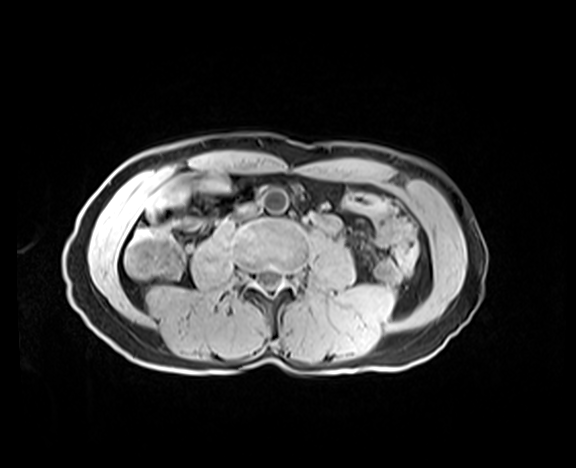

Abdominal MRI; axial view
Boxes: x1:y1:x2:y2 in pixels.
Organ bounding boxes:
- inferior vena cava: 237:204:257:217
- aorta: 262:188:288:213